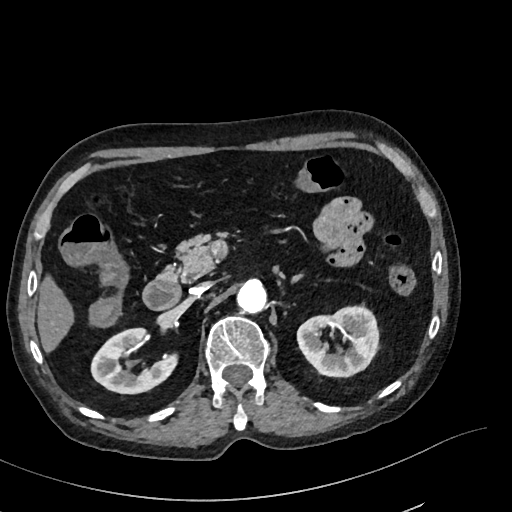

Abdominal CT — axial view — 512x512 px — 15 organs annotated in this scan (a whole-scan count: organs this slice does not pass through have no box)
Boxes: x1 y1 x2 y2 (pixel coords, space-separated). 8 labeled organs on this slice — right kidney at 91 328 177 393; left kidney at 297 306 378 376; liver at 37 275 74 352; aorta at 237 279 266 313; inferior vena cava at 190 281 213 294; pancreas at 167 234 224 281; left adrenal gland at 292 274 302 281; duodenum at 143 270 181 309.